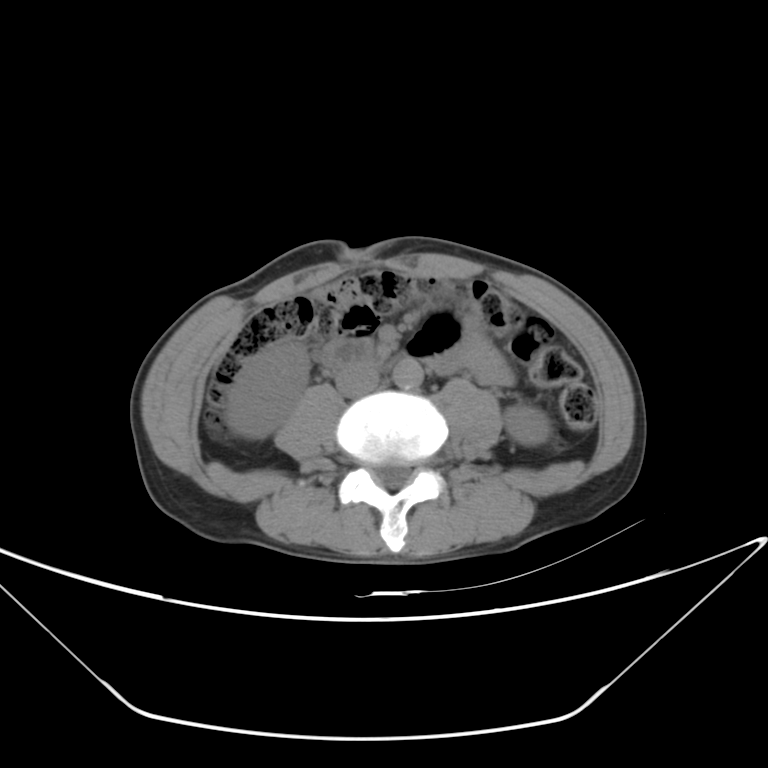
Abdominal CT; axial view; abdomen soft-tissue window
Bounding boxes in pixels, one row per box: x1, y1 is the top-left corner and x2, y2 the bottom-right.
| organ | x1 | y1 | x2 | y2 |
|---|---|---|---|---|
| duodenum | 323 | 340 | 373 | 367 |
| left kidney | 505 | 405 | 550 | 445 |
| aorta | 392 | 357 | 424 | 388 |
| right kidney | 226 | 339 | 310 | 438 |
| inferior vena cava | 336 | 365 | 379 | 396 |